Chest-level slice from an abdominal CT that extends up into the chest; Axial slice 297/333; soft-tissue window
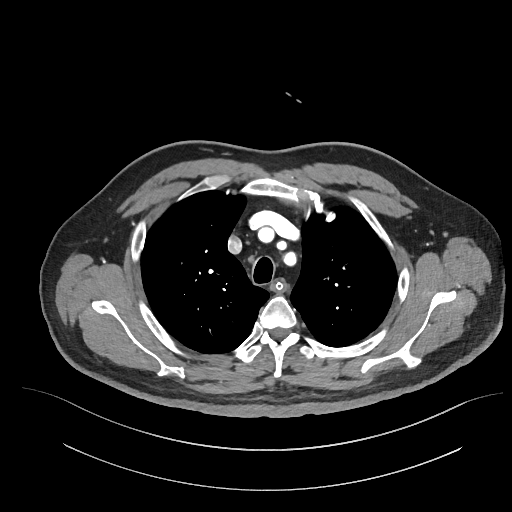
On a slice this high in the chest, this dataset labels only the esophagus and the aorta, and each is boxed only where it is labeled; the heart, lungs and other chest structures are not labeled. Bounding boxes as [x1, y1, x2, y2] in pixel coordinates. 1 labeled organ on this slice — esophagus at [272, 280, 284, 291].